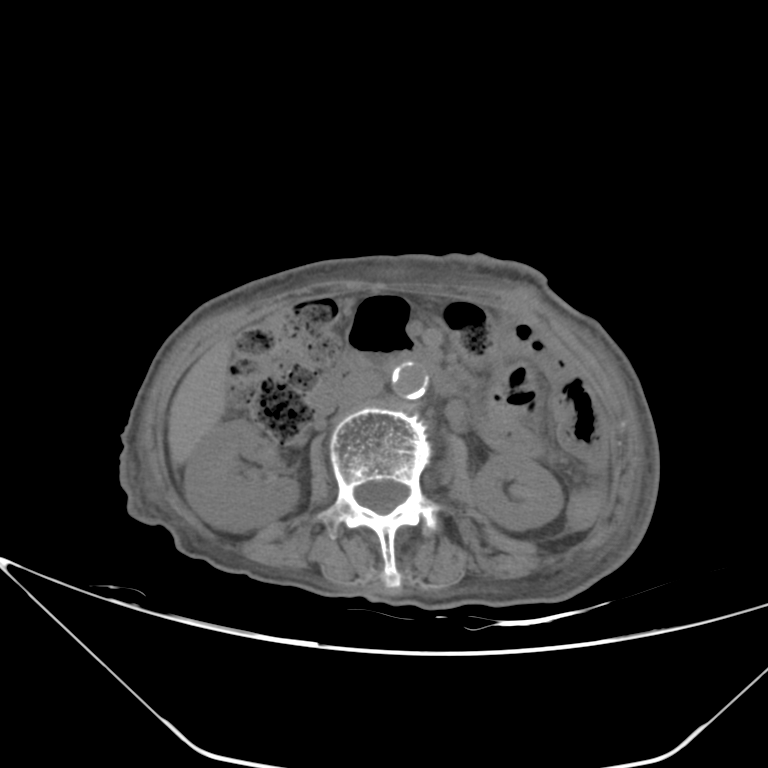
Abdominal CT — axial view — 14 organs annotated in this scan (a whole-scan count: organs this slice does not pass through have no box)
<organs><organ name="right kidney" x1="184" y1="419" x2="298" y2="531"/><organ name="liver" x1="167" y1="338" x2="233" y2="466"/><organ name="duodenum" x1="313" y1="351" x2="458" y2="414"/><organ name="inferior vena cava" x1="336" y1="373" x2="383" y2="409"/><organ name="left kidney" x1="471" y1="455" x2="563" y2="530"/><organ name="aorta" x1="391" y1="362" x2="428" y2="399"/></organs>